CT, abdomen/pelvis — axial view — acquired on SOMATOM Force
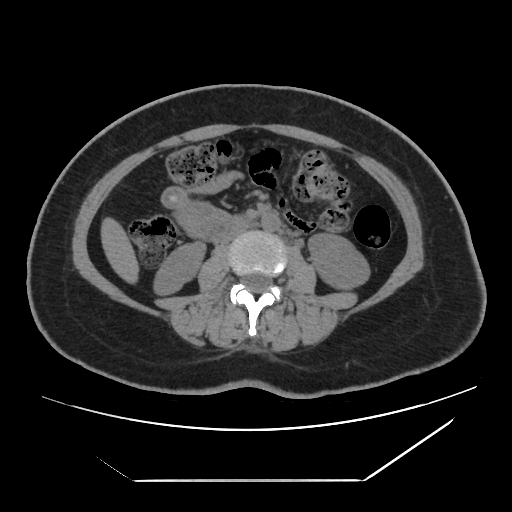 Bounding boxes in pixels, one row per box: x1, y1 is the top-left corner and x2, y2 the bottom-right.
| organ | x1 | y1 | x2 | y2 |
|---|---|---|---|---|
| aorta | 261 | 212 | 280 | 231 |
| inferior vena cava | 223 | 223 | 249 | 242 |
| right kidney | 154 | 242 | 204 | 294 |
| left kidney | 308 | 233 | 369 | 289 |
| liver | 101 | 218 | 138 | 282 |